CT abdomen; axial plane, index 182; soft-tissue window
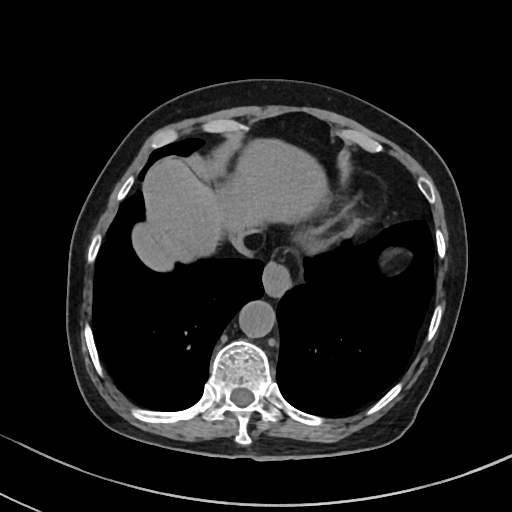 Box edges are left/top/right/bottom in pixels.
esophagus: left=263, top=263, right=291, bottom=299
liver: left=133, top=140, right=325, bottom=269
aorta: left=239, top=301, right=275, bottom=338
inferior vena cava: left=231, top=231, right=253, bottom=257